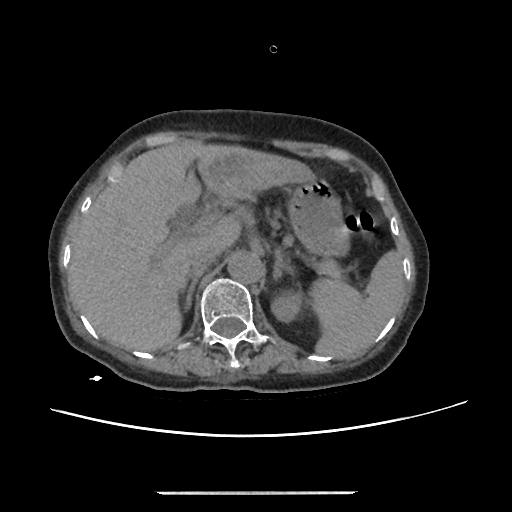
Abdominal CT. Axial slice 262/353
Bounding boxes as [x1, y1, x2, y2] in pixel coordinates.
Organ bounding boxes:
- stomach: [289, 179, 350, 256]
- liver: [70, 141, 315, 351]
- left kidney: [272, 292, 298, 321]
- aorta: [227, 251, 263, 283]
- pancreas: [319, 261, 338, 276]
- right adrenal gland: [180, 272, 202, 311]
- inferior vena cava: [188, 246, 221, 273]
- left adrenal gland: [273, 251, 293, 280]
- spleen: [313, 251, 403, 359]